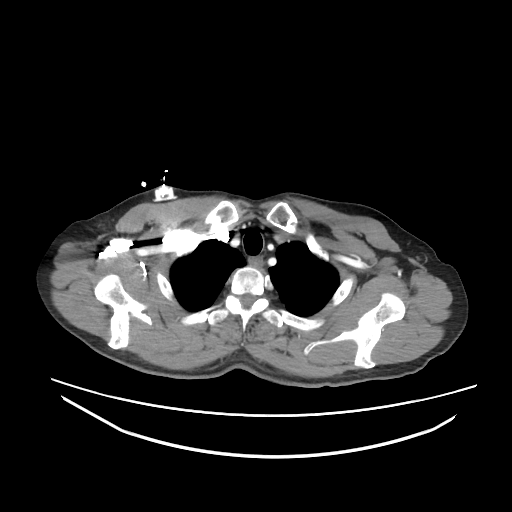 Chest-level slice from an abdominal CT that extends up into the chest; axial view; 52-year-old male patient; 15 organs annotated in this scan (counted over the whole 3D scan, not this slice; an organ is boxed only where this slice passes through it)
At this level of the chest no structure but the esophagus and the aorta has a label in this dataset, and those two are boxed only where they are labeled.
Boxes: x1:y1:x2:y2 in pixels.
esophagus: 248:256:263:268